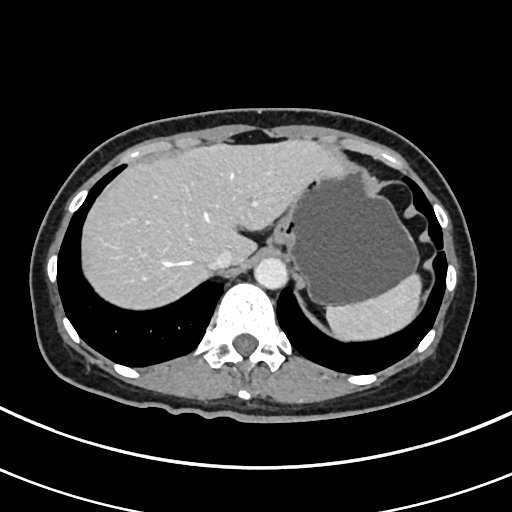 Abdominal CT. Axial slice 169/192. scan has 15 labeled organs (that count is for the whole scan; organs this slice misses have no box)
{"organs":{"spleen":[326,273,421,340],"liver":[82,139,346,309],"stomach":[271,166,418,304],"aorta":[254,257,287,288],"inferior vena cava":[213,249,233,269]}}